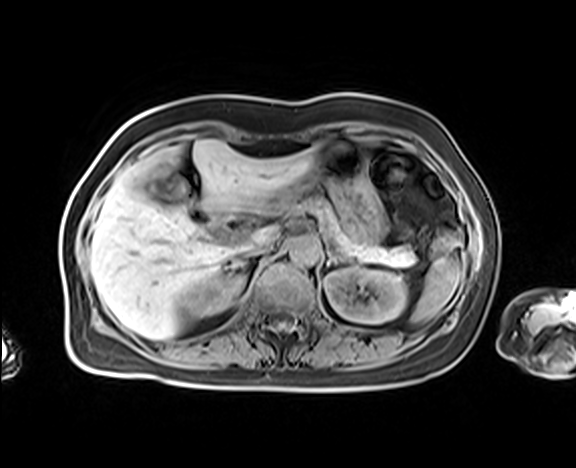
Abdominal MRI · Axial slice 37/72 · 1st–99th percentile window · 576x468 px
<organs><organ name="right kidney" x1="187" y1="273" x2="243" y2="316"/><organ name="liver" x1="90" y1="139" x2="317" y2="339"/><organ name="pancreas" x1="288" y1="196" x2="417" y2="264"/><organ name="aorta" x1="289" y1="236" x2="320" y2="264"/><organ name="stomach" x1="262" y1="143" x2="386" y2="243"/><organ name="left adrenal gland" x1="325" y1="250" x2="340" y2="265"/><organ name="left kidney" x1="324" y1="267" x2="407" y2="323"/><organ name="inferior vena cava" x1="236" y1="240" x2="271" y2="257"/><organ name="right adrenal gland" x1="233" y1="261" x2="242" y2="266"/><organ name="spleen" x1="412" y1="256" x2="461" y2="322"/></organs>